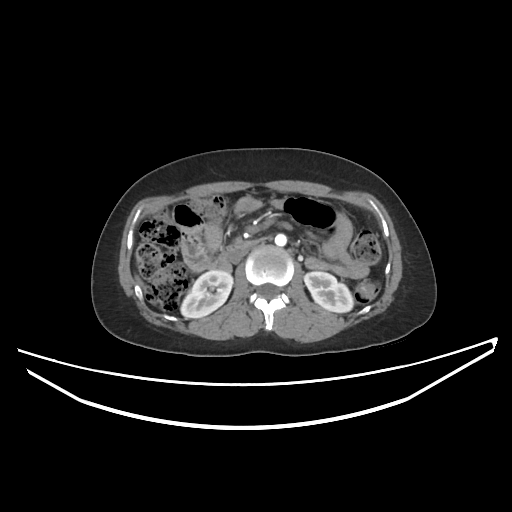
CT abdomen. Axial slice 61/126. 37-year-old female patient
{"organs":{"right kidney":[181,270,233,318],"liver":[136,277,141,284],"duodenum":[210,241,248,269],"left kidney":[304,271,353,312],"inferior vena cava":[231,242,254,262],"aorta":[275,234,286,246]}}